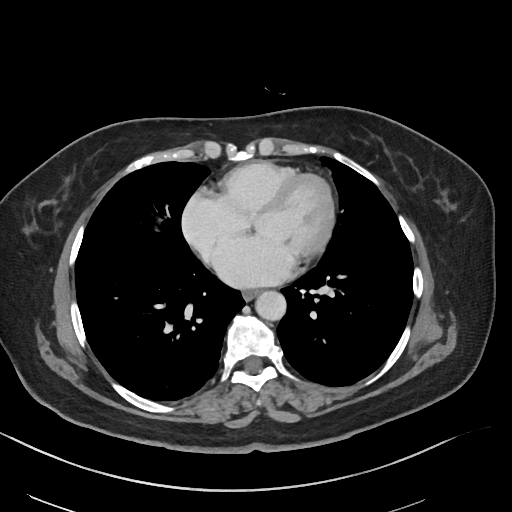
CT of the abdomen reaching into the lower chest, slice just above the liver and spleen; axial view; soft-tissue window; 512x512 px
Of the structures in the chest, this dataset labels only the esophagus, the aorta and the inferior vena cava; the heart and lungs have no label.
Bounding boxes in pixels, one row per box: x1, y1 is the top-left corner and x2, y2 the bottom-right.
| organ | x1 | y1 | x2 | y2 |
|---|---|---|---|---|
| esophagus | 243 | 290 | 259 | 300 |
| aorta | 255 | 291 | 286 | 321 |